Abdominal CT · axial view · soft-tissue window · 512x512 px · Aquilion ONE scanner · 15 organs annotated in this scan (that count is for the whole scan; organs this slice misses have no box)
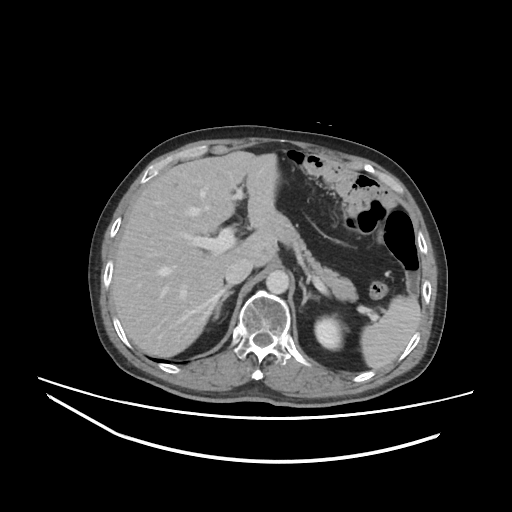 Boxes are (x1, y1, x2, y2) in pixels.
Organ bounding boxes:
- spleen: (360, 295, 421, 369)
- left kidney: (315, 316, 342, 349)
- liver: (111, 151, 279, 357)
- aorta: (266, 270, 289, 294)
- inferior vena cava: (225, 257, 253, 285)
- pancreas: (271, 211, 357, 301)
- right adrenal gland: (214, 289, 234, 319)
- left adrenal gland: (299, 279, 319, 304)